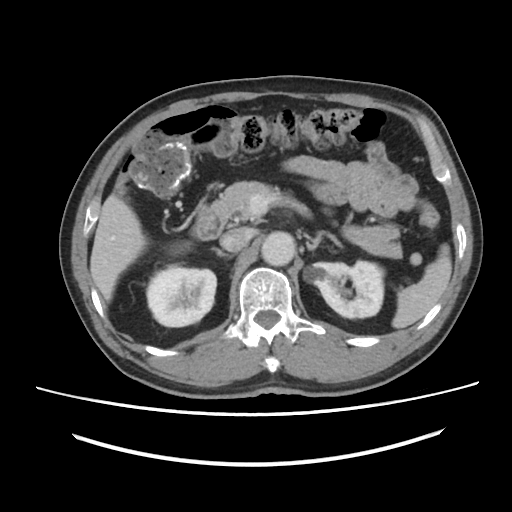

Abdominal CT · axial view · W/L 400/40 HU · scan has 14 labeled organs (counted over the whole 3D scan, not this slice; an organ is boxed only where this slice passes through it)
{"organs":{"duodenum":[191,205,224,240],"pancreas":[212,181,402,258],"left kidney":[305,260,384,318],"spleen":[392,244,451,328],"aorta":[261,231,295,266],"inferior vena cava":[220,227,253,251],"liver":[90,194,187,300],"right kidney":[146,265,216,326],"right adrenal gland":[214,248,233,257],"left adrenal gland":[306,232,323,250]}}